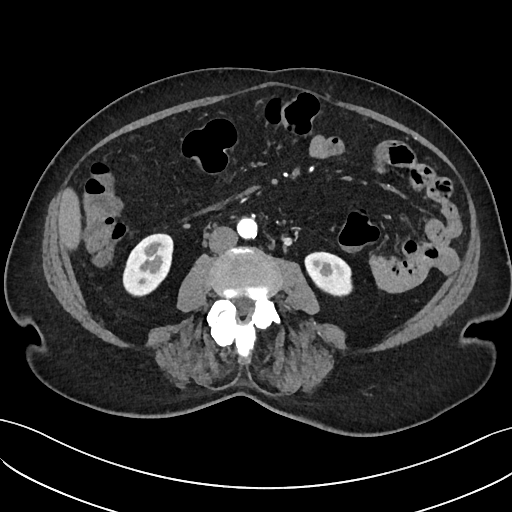 CT abdomen; Axial slice 101/276; soft-tissue window
<organs><organ name="right kidney" x1="122" y1="233" x2="174" y2="294"/><organ name="left kidney" x1="304" y1="252" x2="352" y2="294"/><organ name="liver" x1="57" y1="189" x2="81" y2="249"/><organ name="aorta" x1="236" y1="217" x2="256" y2="238"/><organ name="inferior vena cava" x1="208" y1="226" x2="237" y2="252"/></organs>